Abdominal CT. axial plane, index 176. SOMATOM Force scanner. 15 organs annotated in this scan (that count is for the whole scan; organs this slice misses have no box)
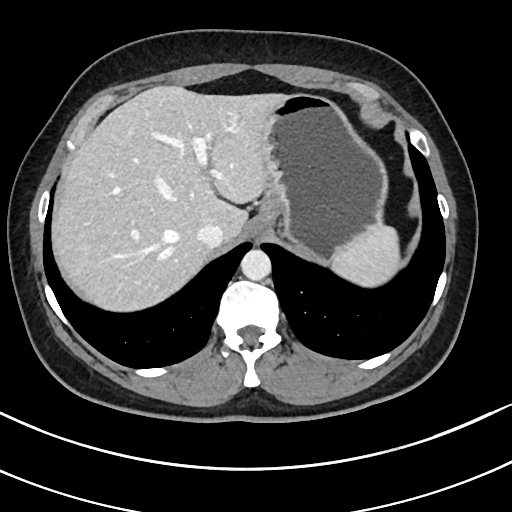
Bounding boxes in pixels, one row per box: x1, y1 is the top-left corner and x2, y2 the bottom-right.
| organ | x1 | y1 | x2 | y2 |
|---|---|---|---|---|
| liver | 53 | 85 | 288 | 310 |
| esophagus | 248 | 221 | 268 | 239 |
| spleen | 330 | 224 | 397 | 287 |
| aorta | 240 | 249 | 271 | 280 |
| inferior vena cava | 197 | 222 | 224 | 247 |
| stomach | 254 | 95 | 385 | 263 |